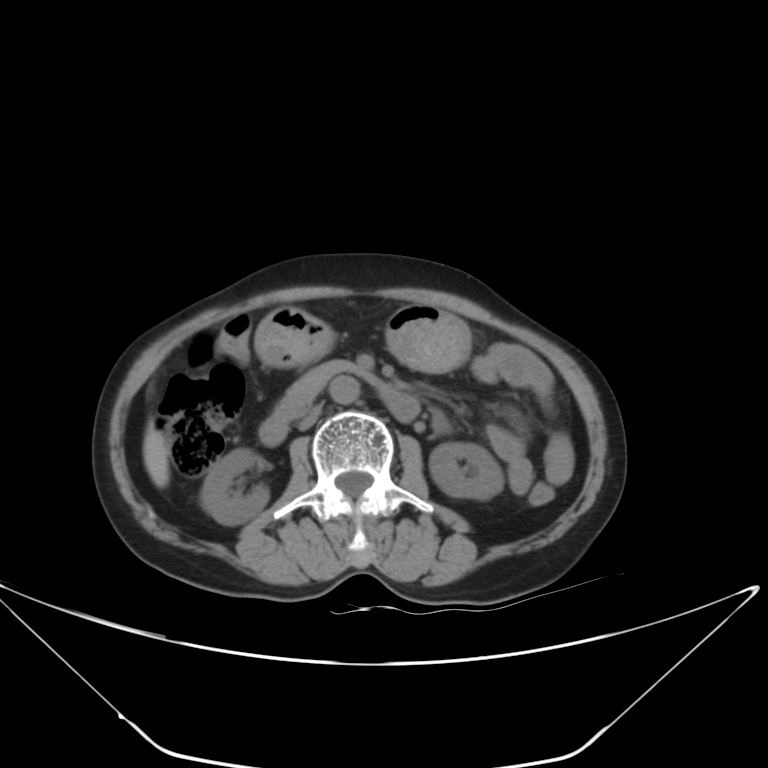 Abdominal CT · axial plane, index 53 · 768x768 px
<organs><organ name="right kidney" x1="200" y1="449" x2="269" y2="525"/><organ name="left kidney" x1="428" y1="442" x2="503" y2="499"/><organ name="liver" x1="143" y1="423" x2="170" y2="487"/><organ name="stomach" x1="255" y1="305" x2="470" y2="371"/><organ name="aorta" x1="329" y1="376" x2="359" y2="404"/><organ name="inferior vena cava" x1="296" y1="404" x2="321" y2="430"/><organ name="pancreas" x1="290" y1="361" x2="360" y2="391"/><organ name="duodenum" x1="259" y1="367" x2="419" y2="445"/></organs>